CT abdomen. axial plane, index 49. 768x768 px
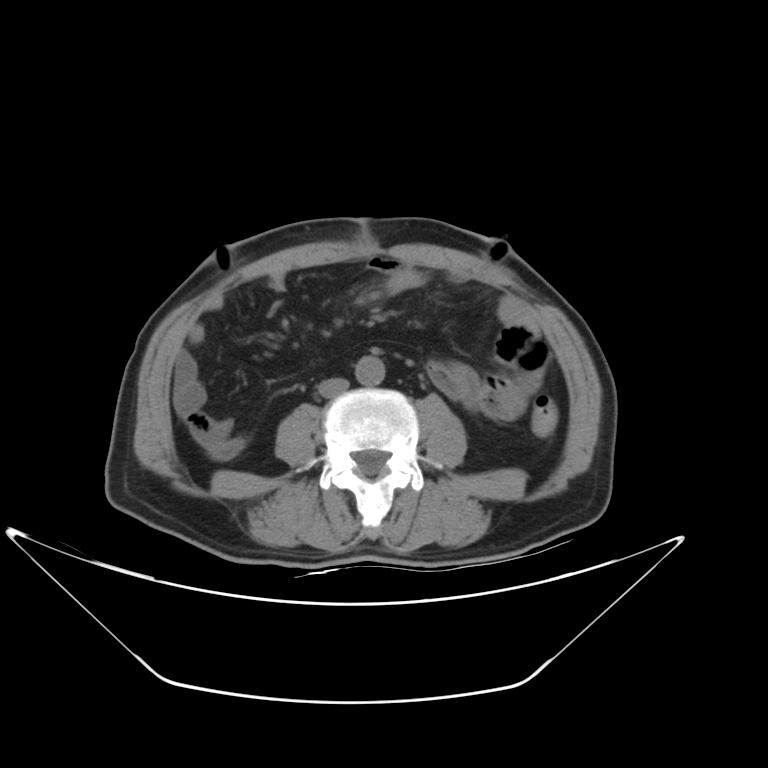 Bounding boxes as [x1, y1, x2, y2] in pixel coordinates.
Organ bounding boxes:
- aorta: [355, 356, 384, 386]
- inferior vena cava: [318, 378, 349, 397]